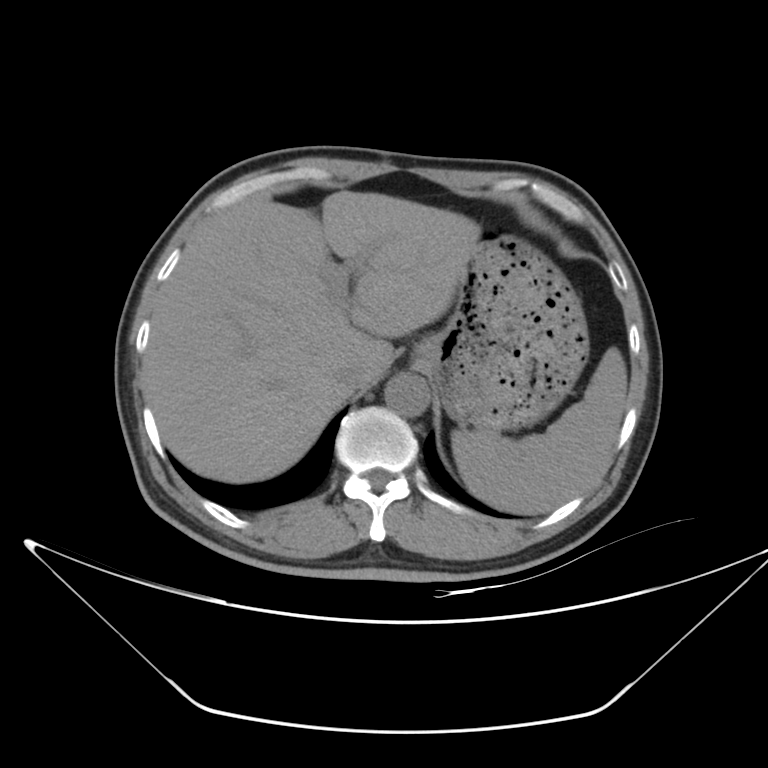 CT abdomen; axial view; W/L 400/40 HU; 768x768 px; 14 organs annotated in this scan (counted over the whole 3D scan, not this slice; an organ is boxed only where this slice passes through it)
Bounding boxes as [x1, y1, x2, y2] in pixel coordinates.
Organ bounding boxes:
- liver: [142, 191, 481, 484]
- stomach: [414, 234, 588, 430]
- spleen: [452, 347, 627, 513]
- aorta: [384, 373, 430, 417]
- inferior vena cava: [334, 361, 367, 390]